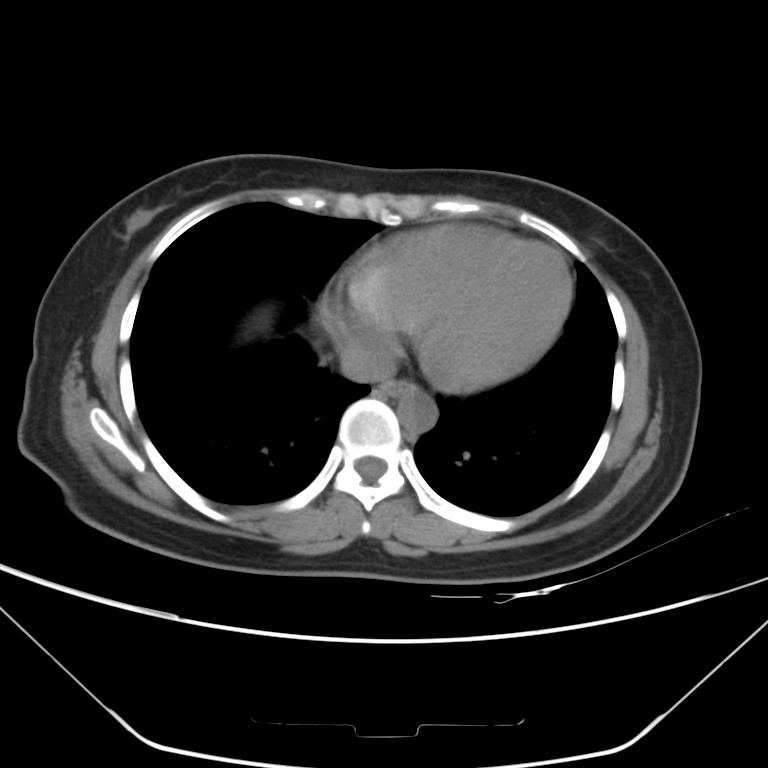

CT of the abdomen reaching into the lower chest, slice just above the liver and spleen. axial view. W/L 400/40 HU. Brilliance16 scanner. scan has 15 labeled organs (counted over the whole 3D scan, not this slice; an organ is boxed only where this slice passes through it)
No part of the heart or lungs is labeled in this dataset, so neither has a box here.
Boxes: x1 y1 x2 y2 (pixel coords, space-separated).
Organ bounding boxes:
- esophagus: 381 381 413 397
- aorta: 398 386 437 432
- inferior vena cava: 340 340 397 381